CT of the abdomen reaching into the lower chest, slice just above the liver and spleen · axial view · soft-tissue window, W/L 400/40 · 512x512 px
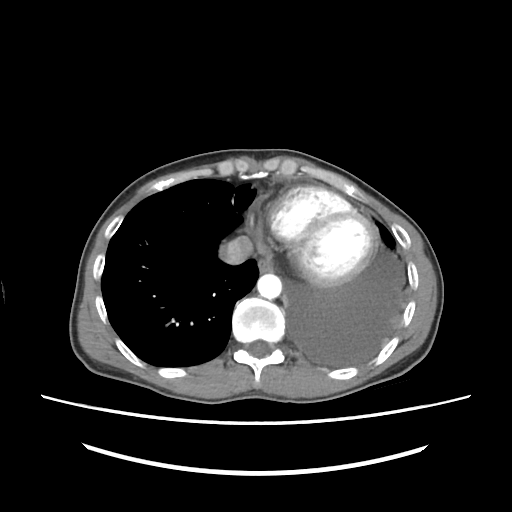 No part of the heart or lungs is labeled in this dataset, so neither has a box here. Boxes: x1 y1 x2 y2 (pixel coords, space-separated). 3 labeled organs on this slice — esophagus at 258 257 273 272; aorta at 257 273 281 299; inferior vena cava at 223 236 253 264.